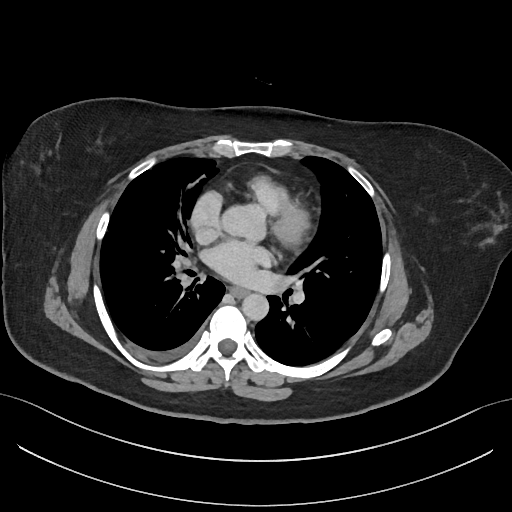
CT of the abdomen reaching into the lower chest, slice just above the liver and spleen · Axial slice 234/305 · soft-tissue window (W 400 / L 40) · SOMATOM Force scanner
The heart and lungs are never labeled in this dataset, so they have no box on this slice.
{"organs":{"esophagus":[230,287,248,297],"aorta":[[223,205,264,236],[242,293,268,320]]}}